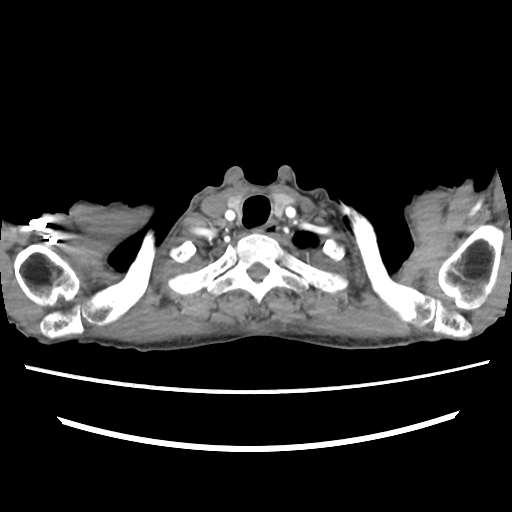
CT of the abdomen extending into the chest, slice through the chest — axial view
On a slice this high in the chest, this dataset labels only the esophagus and the aorta, and each is boxed only where it is labeled; the heart, lungs and other chest structures are not labeled. Coordinates as <box>x1,y1,x2,y2</box> in pixels. The annotated organs in this slice are: esophagus at <box>261,224,280,236</box>.